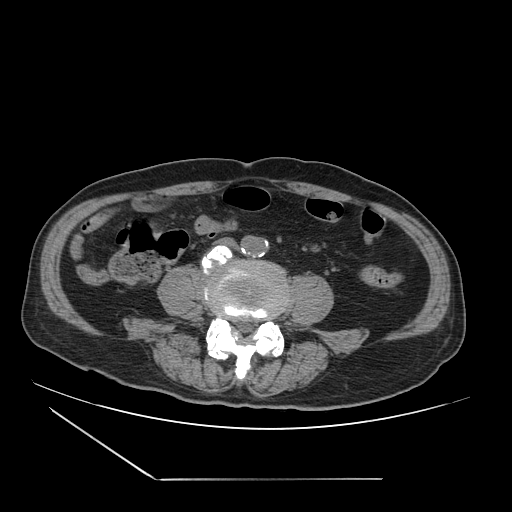

CT abdomen. axial view
Boxes: x1:y1:x2:y2 in pixels.
Organ bounding boxes:
- aorta: 240:235:268:256
- inferior vena cava: 215:237:237:248